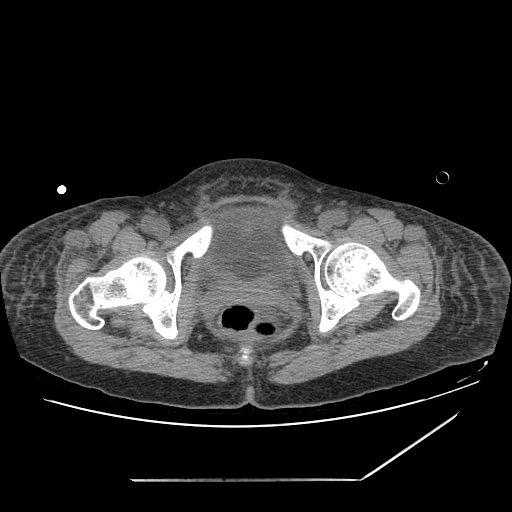 CT abdomen. axial view. 15 organs annotated in this scan (counted over the whole 3D scan, not this slice; an organ is boxed only where this slice passes through it)
Boxes: x1 y1 x2 y2 (pixel coords, space-separated). Labeled organs on this slice: bladder at 204 209 290 282.